Computed tomography, abdomen — axial view — soft-tissue window — 512x512 px — scan has 15 labeled organs (counted over the whole 3D scan, not this slice; an organ is boxed only where this slice passes through it)
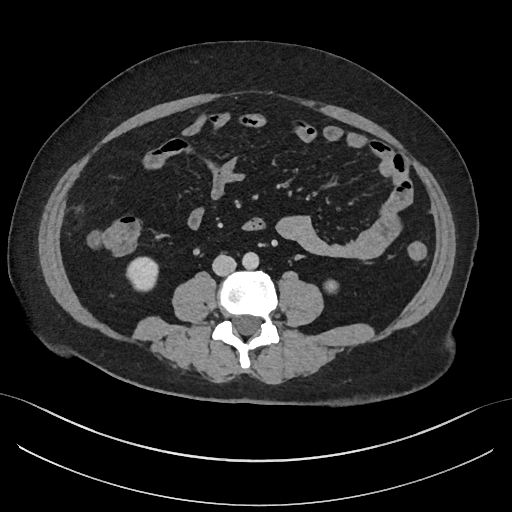
<organs><organ name="right kidney" x1="127" y1="258" x2="157" y2="291"/><organ name="left kidney" x1="326" y1="281" x2="337" y2="292"/><organ name="aorta" x1="242" y1="252" x2="259" y2="269"/><organ name="inferior vena cava" x1="212" y1="255" x2="235" y2="276"/></organs>